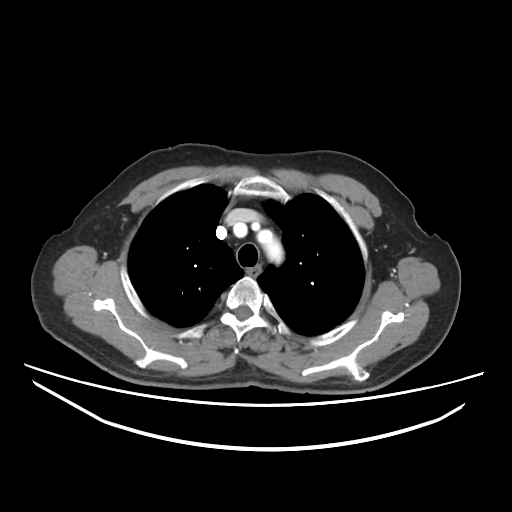 Chest-level slice from an abdominal CT that extends up into the chest. Axial slice 115/124. scan has 15 labeled organs (a whole-scan count: organs this slice does not pass through have no box)
At this level of the chest this dataset labels only the esophagus and the aorta, and each is boxed only where it is labeled; the heart and lungs are never labeled.
<organs><organ name="aorta" x1="258" y1="230" x2="282" y2="262"/><organ name="esophagus" x1="248" y1="264" x2="260" y2="276"/></organs>